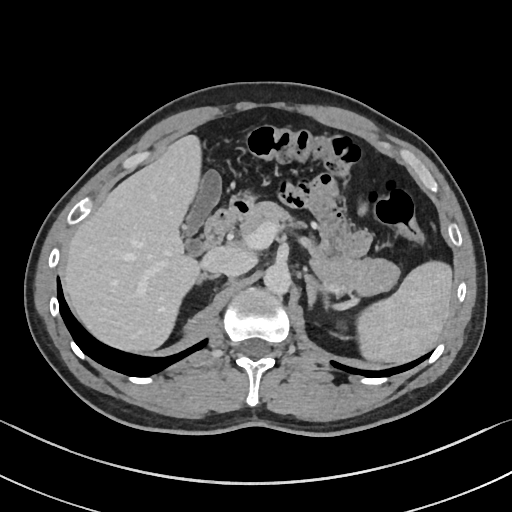

CT, abdomen/pelvis; axial plane, index 142
Box edges are left/top/right/bottom in pixels.
Organ bounding boxes:
- pancreas: left=238, top=200, right=399, bottom=295
- inferior vena cava: left=206, top=246, right=253, bottom=277
- aorta: left=263, top=263, right=290, bottom=293
- left adrenal gland: left=304, top=269, right=327, bottom=309
- right adrenal gland: left=196, top=272, right=220, bottom=285
- gall bladder: left=181, top=171, right=221, bottom=254
- duodenum: left=199, top=201, right=244, bottom=250
- stomach: left=233, top=192, right=255, bottom=206
- liver: left=63, top=133, right=202, bottom=352
- spleen: left=359, top=263, right=451, bottom=362